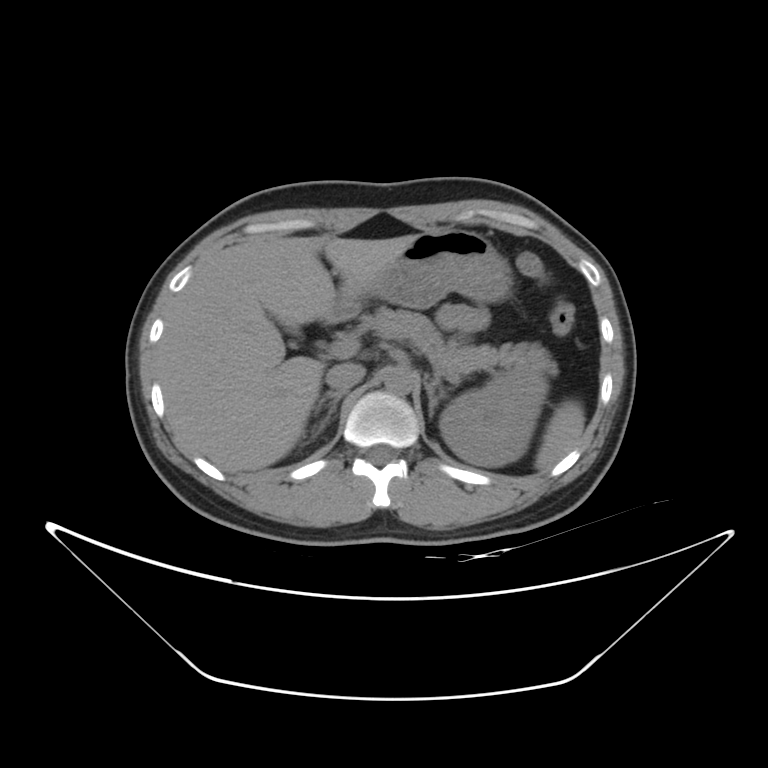
Computed tomography, abdomen. axial view. 25-year-old male patient
Boxes: x1 y1 x2 y2 (pixel coords, space-separated).
Organ bounding boxes:
- aorta: 383 365 415 395
- inferior vena cava: 325 363 364 390
- spleen: 536 400 585 469
- left adrenal gland: 425 382 437 420
- liver: 156 235 416 473
- stomach: 330 228 511 318
- duodenum: 325 312 338 320
- left kidney: 439 376 548 466
- right adrenal gland: 314 391 346 435
- pancreas: 358 306 558 378